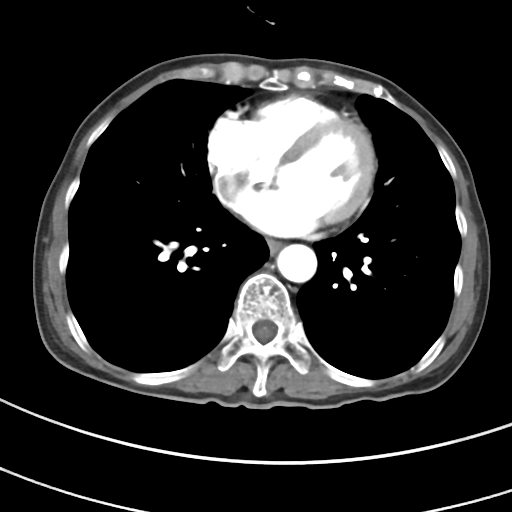
CT of the abdomen reaching into the lower chest, slice just above the liver and spleen — axial view
Of the structures in the chest, this dataset labels only the esophagus, the aorta and the inferior vena cava; the heart and lungs have no label.
One row per box, in pixels: columns x1 and y1 give the top-left corner, x2 and y2 the bottom-right.
| organ | x1 | y1 | x2 | y2 |
|---|---|---|---|---|
| aorta | 277 | 244 | 317 | 282 |
| esophagus | 267 | 239 | 280 | 253 |